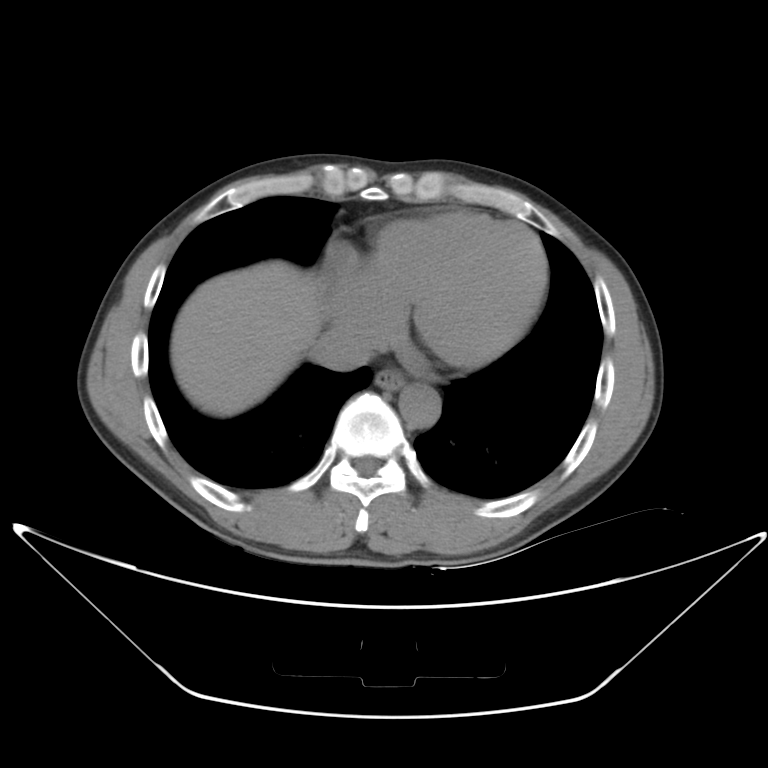 CT, abdomen/pelvis. Axial slice 88/93. 768x768 px
Boxes: x1 y1 x2 y2 (pixel coords, space-separated). 4 labeled organs on this slice — esophagus at 376 368 405 388; liver at 170 259 326 418; aorta at 400 384 440 426; inferior vena cava at 311 330 372 369.